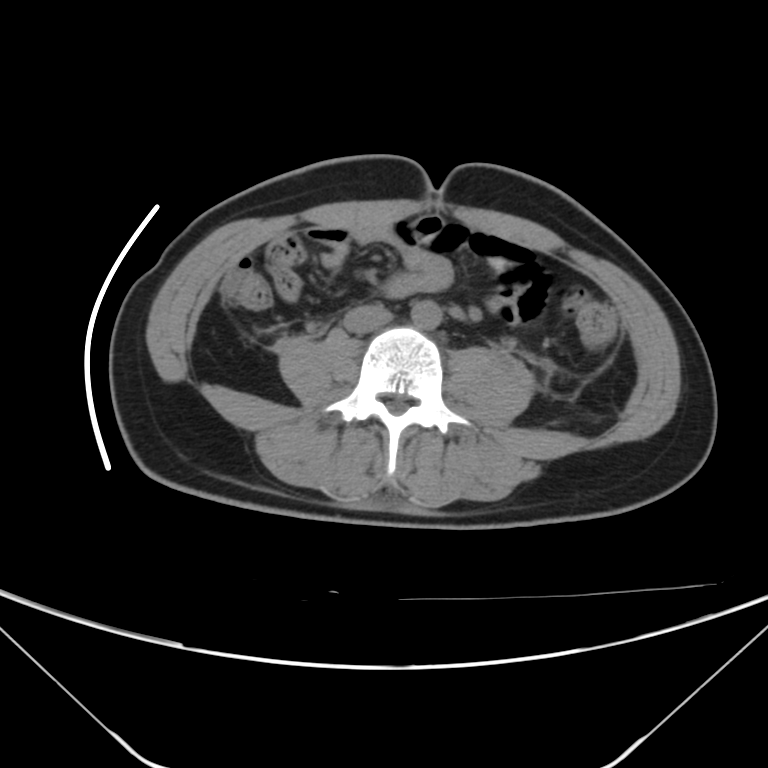
Computed tomography, abdomen. axial view. 768x768 px
Bounding boxes in pixels, one row per box: x1, y1 is the top-left corner and x2, y2 the bottom-right.
| organ | x1 | y1 | x2 | y2 |
|---|---|---|---|---|
| aorta | 412 | 299 | 442 | 329 |
| inferior vena cava | 343 | 304 | 391 | 333 |